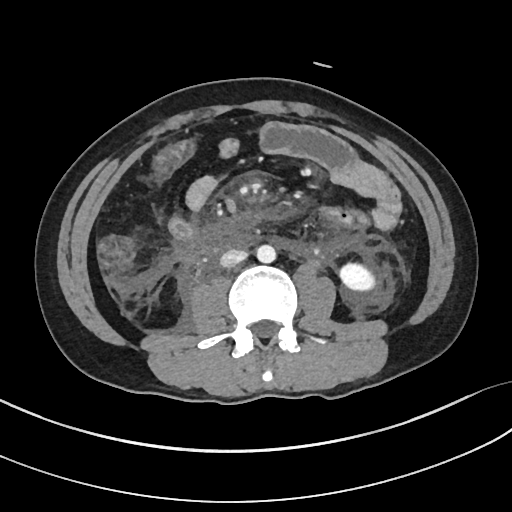

CT, abdomen/pelvis · axial view · acquired on SOMATOM Force · scan has 15 labeled organs (that count is for the whole scan; organs this slice misses have no box)
{"organs":{"left kidney":[337,260,379,293],"aorta":[256,245,276,263],"inferior vena cava":[220,249,247,267]}}